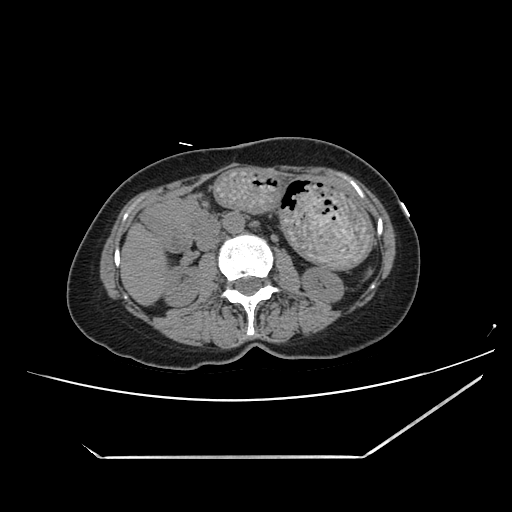 Computed tomography, abdomen — axial view — 512x512 px — scan has 14 labeled organs (that count is for the whole scan; organs this slice misses have no box)
Boxes: x1:y1:x2:y2 in pixels.
aorta: 223:212:245:233
inferior vena cava: 196:232:218:251
left kidney: 299:267:344:302
liver: 120:222:166:307
duodenum: 140:204:218:252
stomach: 166:166:373:267
right kidney: 164:267:199:305
pancreas: 160:199:205:229